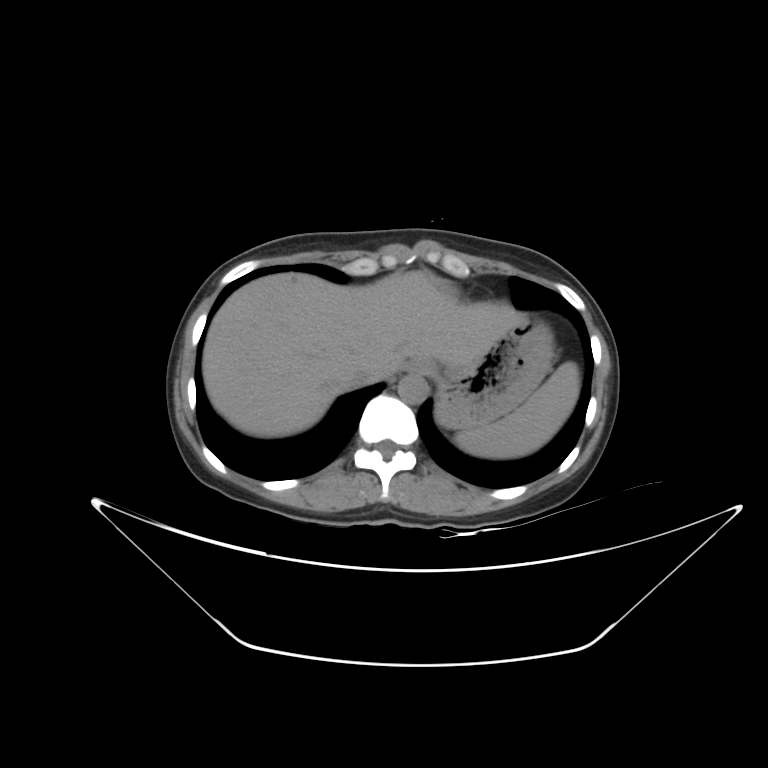 Abdominal CT · axial view · soft-tissue window · 15 organs annotated in this scan (counted over the whole 3D scan, not this slice; an organ is boxed only where this slice passes through it)
One row per box, in pixels: columns x1 and y1 give the top-left corner, x2 and y2 the bottom-right.
| organ | x1 | y1 | x2 | y2 |
|---|---|---|---|---|
| spleen | 454 | 361 | 579 | 458 |
| esophagus | 405 | 359 | 432 | 374 |
| liver | 203 | 270 | 523 | 437 |
| stomach | 429 | 315 | 553 | 428 |
| aorta | 398 | 374 | 428 | 403 |
| inferior vena cava | 352 | 368 | 375 | 385 |